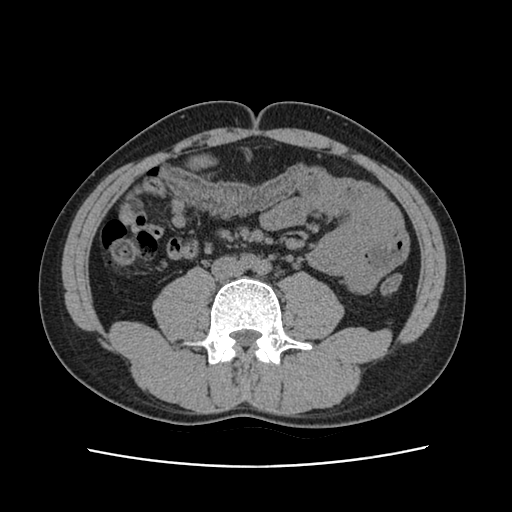 CT, abdomen/pelvis — axial view
Boxes are (x1, y1, x2, y2) in pixels.
Organ bounding boxes:
- inferior vena cava: (211, 256, 244, 279)